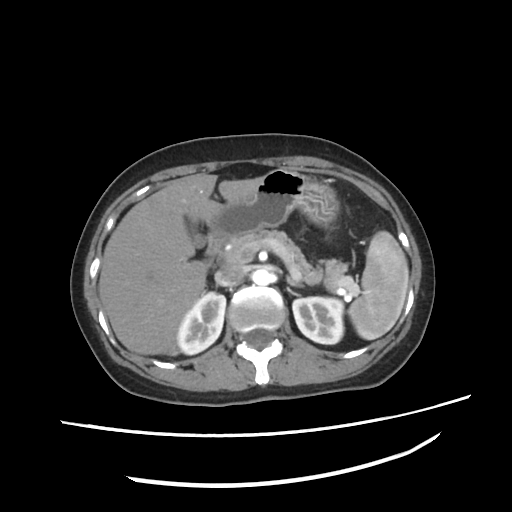 CT, abdomen/pelvis — axial view — soft-tissue window — 47-year-old female patient — scan has 15 labeled organs (a whole-scan count: organs this slice does not pass through have no box)
<organs><organ name="left kidney" x1="293" y1="296" x2="344" y2="343"/><organ name="spleen" x1="349" y1="230" x2="409" y2="339"/><organ name="gall bladder" x1="189" y1="221" x2="206" y2="247"/><organ name="aorta" x1="253" y1="269" x2="269" y2="285"/><organ name="right kidney" x1="176" y1="292" x2="225" y2="354"/><organ name="inferior vena cava" x1="214" y1="265" x2="248" y2="285"/><organ name="duodenum" x1="204" y1="232" x2="227" y2="259"/><organ name="stomach" x1="207" y1="169" x2="338" y2="237"/><organ name="pancreas" x1="220" y1="229" x2="348" y2="293"/><organ name="liver" x1="99" y1="173" x2="256" y2="355"/><organ name="left adrenal gland" x1="287" y1="277" x2="303" y2="286"/></organs>